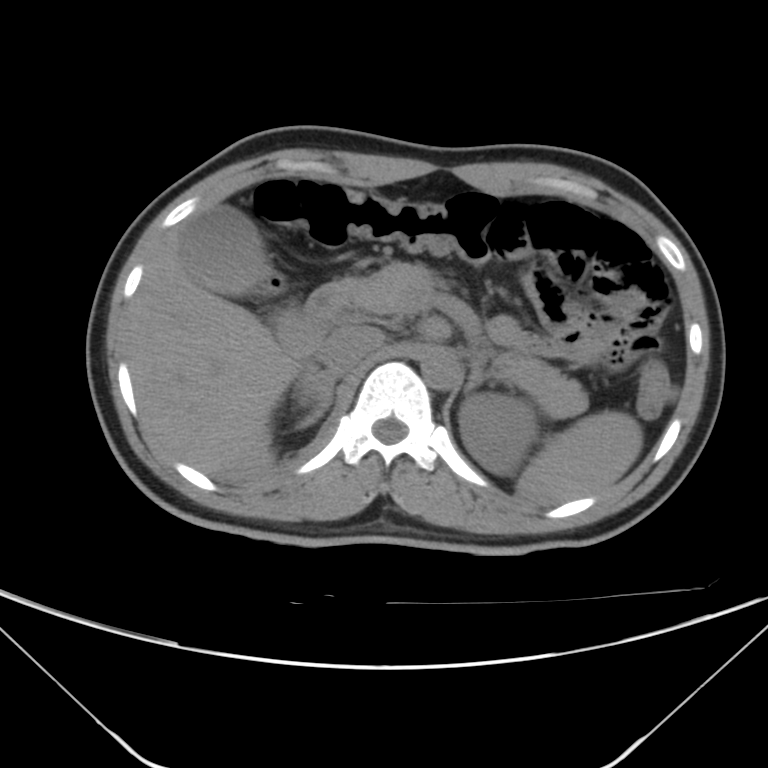 Computed tomography, abdomen — axial view — W/L 400/40 HU
Organ boxes in pixel coordinates; each row gives the top-left (x1, y1) and bottom-right (x2, y2) corners.
| organ | x1 | y1 | x2 | y2 |
|---|---|---|---|---|
| spleen | 516 | 410 | 643 | 505 |
| left kidney | 459 | 394 | 538 | 474 |
| gall bladder | 181 | 205 | 320 | 360 |
| liver | 125 | 215 | 303 | 482 |
| aorta | 420 | 347 | 459 | 390 |
| inferior vena cava | 317 | 325 | 385 | 376 |
| pancreas | 340 | 262 | 587 | 417 |
| right adrenal gland | 296 | 373 | 336 | 429 |
| left adrenal gland | 465 | 361 | 493 | 393 |
| duodenum | 301 | 281 | 346 | 334 |